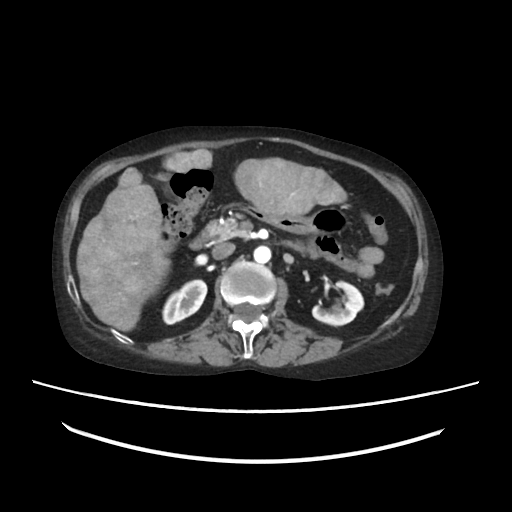

Computed tomography, abdomen. axial plane, index 57. scan has 15 labeled organs (that count is for the whole scan; organs this slice misses have no box)
Bounding boxes as [x1, y1, x2, y2] in pixel coordinates. 9 labeled organs on this slice — duodenum at [190, 220, 341, 257]; pancreas at [205, 219, 250, 242]; aorta at [253, 246, 271, 262]; inferior vena cava at [211, 242, 234, 258]; stomach at [245, 205, 345, 233]; right kidney at [163, 280, 206, 323]; gall bladder at [157, 173, 177, 200]; left kidney at [312, 281, 364, 325]; liver at [76, 148, 348, 331].